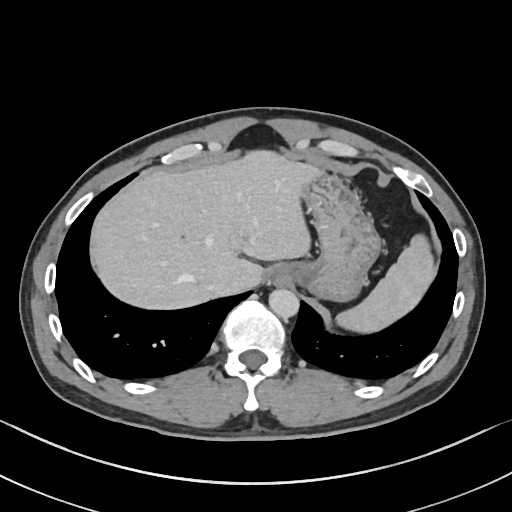

CT, abdomen/pelvis. axial view
Organ boxes in pixel coordinates; each row gives the top-left (x1, y1) and bottom-right (x2, y2) corners.
| organ | x1 | y1 | x2 | y2 |
|---|---|---|---|---|
| liver | 92 | 152 | 315 | 308 |
| inferior vena cava | 207 | 275 | 233 | 292 |
| aorta | 269 | 288 | 299 | 318 |
| stomach | 285 | 169 | 382 | 299 |
| esophagus | 267 | 265 | 291 | 284 |
| spleen | 336 | 236 | 435 | 331 |